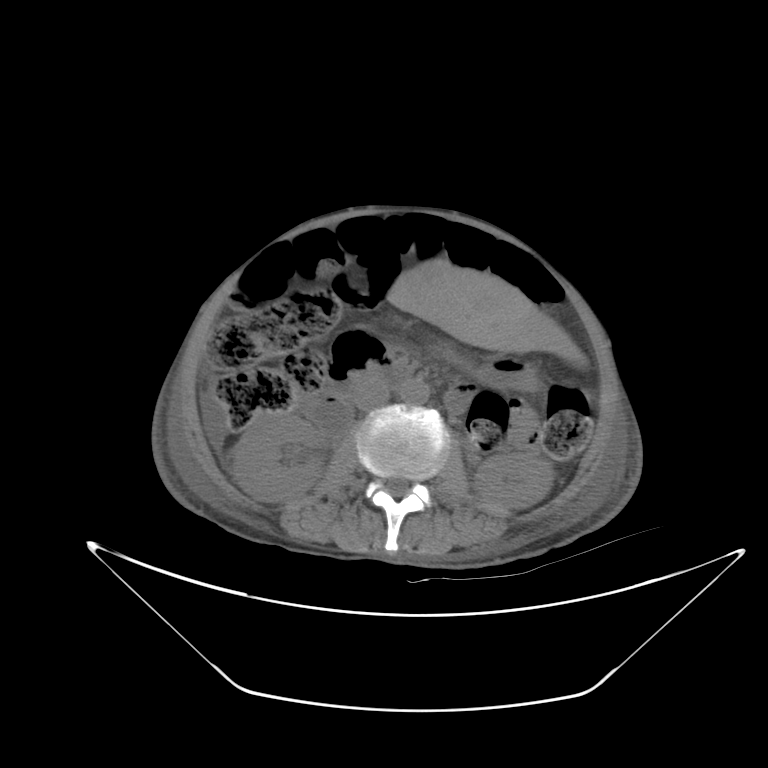
Abdominal CT · axial view · W/L 400/40 HU · acquired on Brilliance16 · 15 organs annotated in this scan (a whole-scan count: organs this slice does not pass through have no box)
Each box given as x1,y1,x2,y2.
Organ bounding boxes:
- stomach: x1=431, y1=341, x2=538, y2=389
- liver: x1=386, y1=258, x2=587, y2=367
- aorta: x1=400, y1=380, x2=429, y2=405
- right kidney: x1=232, y1=410, x2=323, y2=501
- duodenum: x1=305, y1=359, x2=405, y2=438
- inferior vena cava: x1=354, y1=380, x2=389, y2=411
- left kidney: x1=475, y1=453, x2=551, y2=507